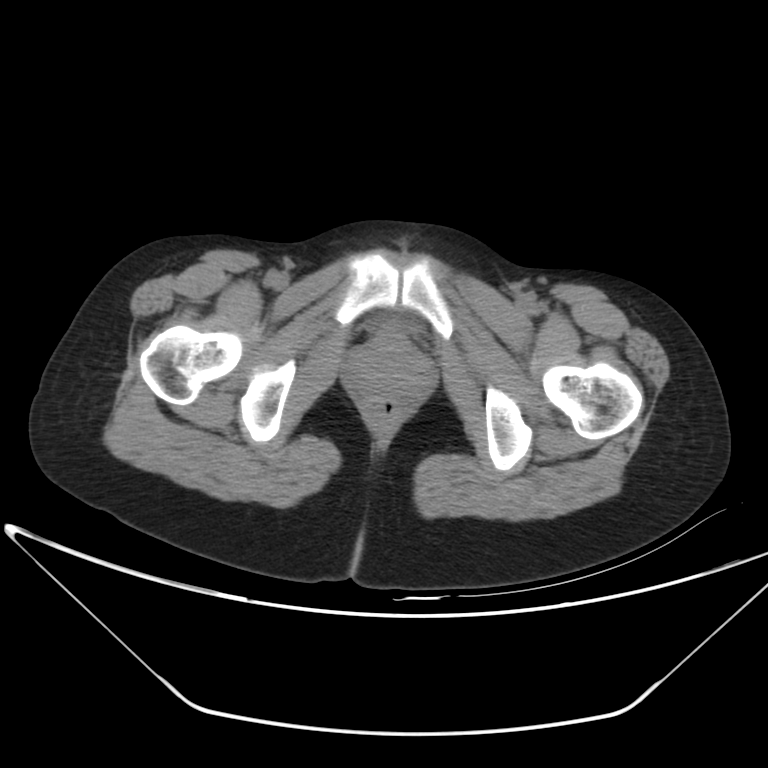

CT, abdomen/pelvis. Axial slice 9/81. 28-year-old female patient. scan has 15 labeled organs (that count is for the whole scan; organs this slice misses have no box)
Boxes are (x1, y1, x2, y2) in pixels.
Organ bounding boxes:
- prostate/uterus: (355, 343, 429, 394)
- bladder: (364, 316, 418, 339)